CT abdomen — axial view
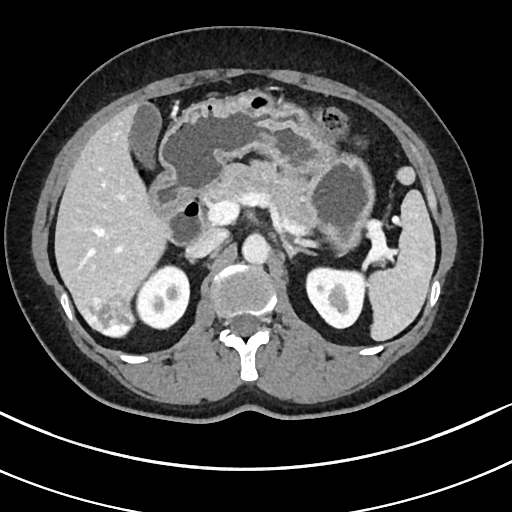

<organs><organ name="stomach" x1="160" y1="91" x2="371" y2="251"/><organ name="duodenum" x1="147" y1="169" x2="207" y2="245"/><organ name="liver" x1="55" y1="104" x2="166" y2="337"/><organ name="pancreas" x1="200" y1="160" x2="319" y2="226"/><organ name="aorta" x1="242" y1="233" x2="269" y2="263"/><organ name="right kidney" x1="138" y1="267" x2="189" y2="329"/><organ name="left kidney" x1="305" y1="267" x2="368" y2="328"/><organ name="left adrenal gland" x1="282" y1="237" x2="312" y2="255"/><organ name="gall bladder" x1="129" y1="103" x2="159" y2="168"/><organ name="inferior vena cava" x1="186" y1="227" x2="227" y2="257"/><organ name="spleen" x1="369" y1="189" x2="434" y2="340"/></organs>